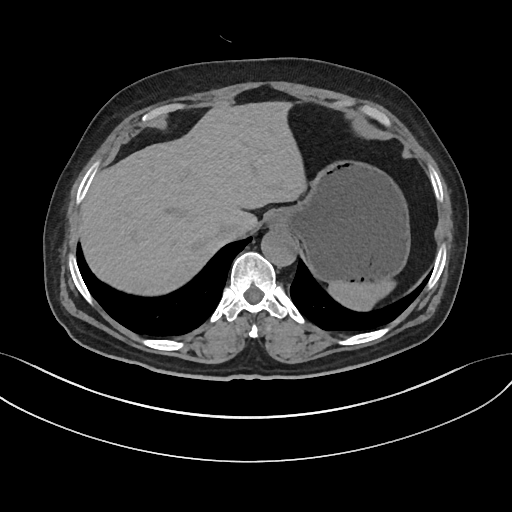 Abdominal CT · axial view · 15 organs annotated in this scan (that count is for the whole scan; organs this slice misses have no box)
Box edges are left/top/right/bottom in pixels.
spleen: left=328, top=280, right=395, bottom=312
liver: left=78, top=102, right=305, bottom=294
stomach: left=272, top=162, right=410, bottom=282
aorta: left=261, top=228, right=295, bottom=265
inferior vena cava: left=216, top=219, right=242, bottom=241